CT abdomen · axial view · 65-year-old male patient · 15 organs annotated in this scan (a whole-scan count: organs this slice does not pass through have no box)
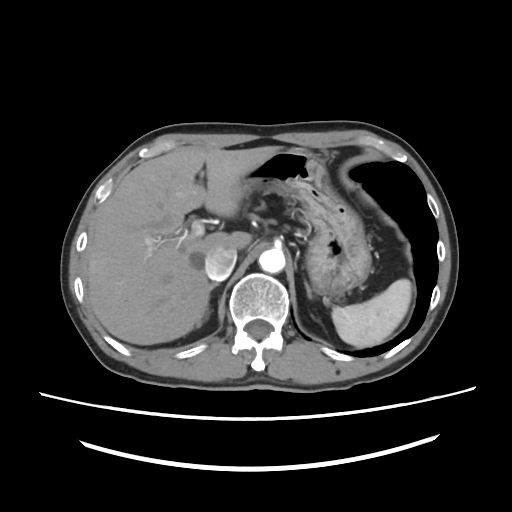 Bounding boxes in pixels, one row per box: x1, y1 is the top-left corner and x2, y2 the bottom-right.
| organ | x1 | y1 | x2 | y2 |
|---|---|---|---|---|
| stomach | 237 | 148 | 371 | 296 |
| left adrenal gland | 305 | 284 | 311 | 298 |
| liver | 87 | 146 | 279 | 344 |
| inferior vena cava | 204 | 248 | 236 | 280 |
| spleen | 332 | 279 | 411 | 346 |
| right adrenal gland | 209 | 283 | 217 | 290 |
| aorta | 259 | 248 | 285 | 273 |